CT abdomen; axial plane, index 197; 15 organs annotated in this scan (counted over the whole 3D scan, not this slice; an organ is boxed only where this slice passes through it)
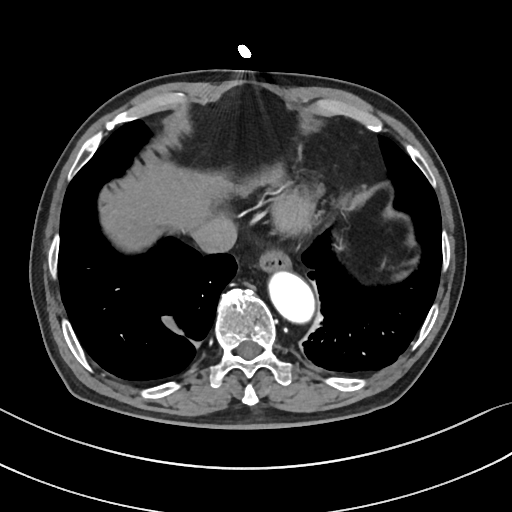 Boxes: x1:y1:x2:y2 in pixels.
spleen: 362:286:369:291
esophagus: 258:244:289:271
liver: 99:156:242:250
aorta: 267:270:312:320
inferior vena cava: 190:219:237:250